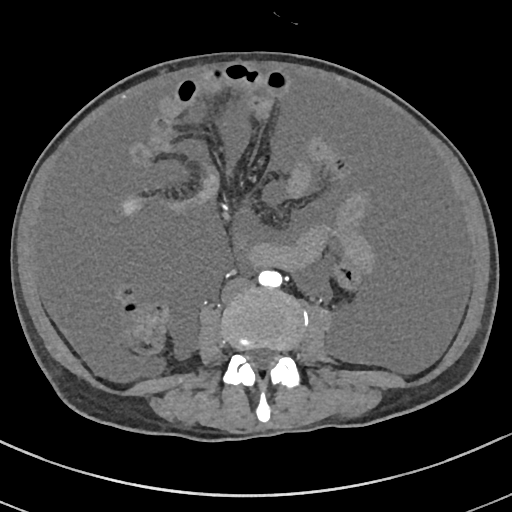
CT, abdomen/pelvis; axial plane, index 108; SOMATOM Force scanner; scan has 15 labeled organs (that count is for the whole scan; organs this slice misses have no box)
{"organs":{"inferior vena cava":[221,278,254,302],"aorta":[258,270,281,287]}}